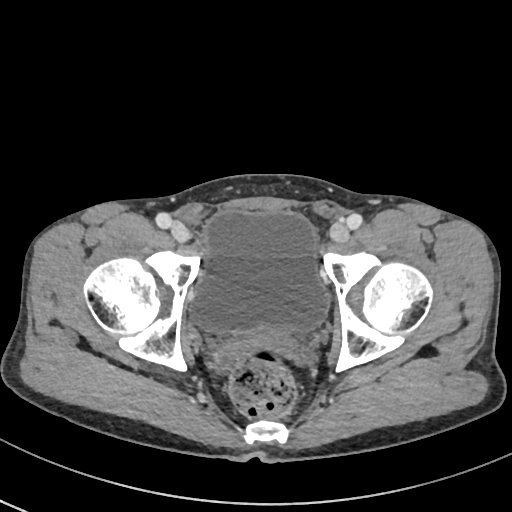
Computed tomography, abdomen; axial view; soft-tissue window (W 400 / L 40)
{"organs":{"bladder":[191,211,329,333]}}